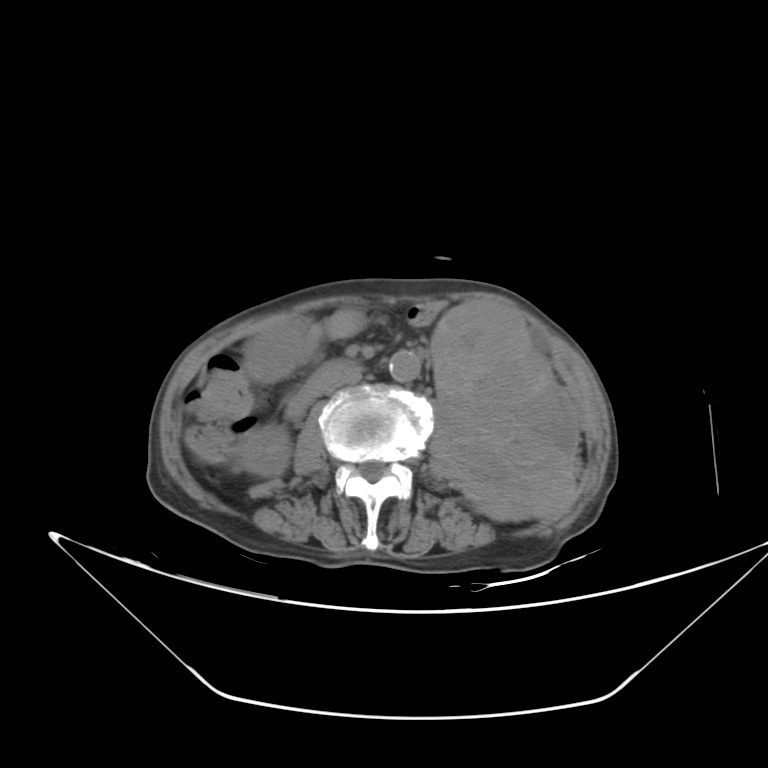
Computed tomography, abdomen. axial view. W/L 400/40 HU. 768x768 px. male patient aged 90 or older. acquired on Brilliance16
<organs><organ name="right kidney" x1="234" y1="425" x2="290" y2="476"/><organ name="left kidney" x1="432" y1="299" x2="581" y2="520"/><organ name="stomach" x1="248" y1="313" x2="311" y2="380"/><organ name="aorta" x1="389" y1="350" x2="421" y2="383"/><organ name="inferior vena cava" x1="324" y1="373" x2="362" y2="399"/><organ name="duodenum" x1="286" y1="359" x2="359" y2="418"/></organs>